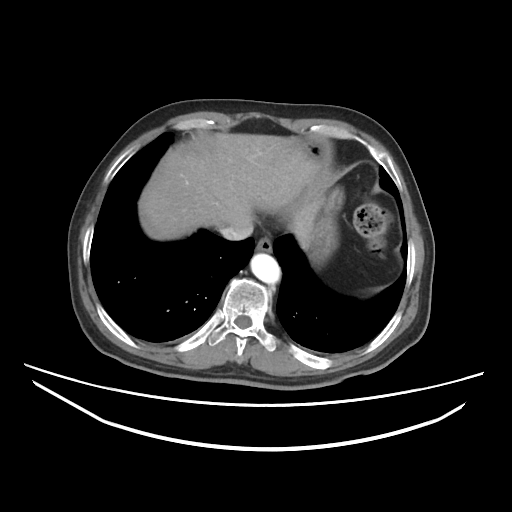

CT abdomen. Axial slice 83/124. soft-tissue window. 15 organs annotated in this scan (that count is for the whole scan; organs this slice misses have no box)
Boxes: x1:y1:x2:y2 in pixels.
Organ bounding boxes:
- stomach: 297:136:343:267
- inferior vena cava: 220:223:252:240
- esophagus: 255:236:272:252
- aorta: 250:253:280:283
- liver: 139:133:329:244